Computed tomography, abdomen. axial plane, index 186
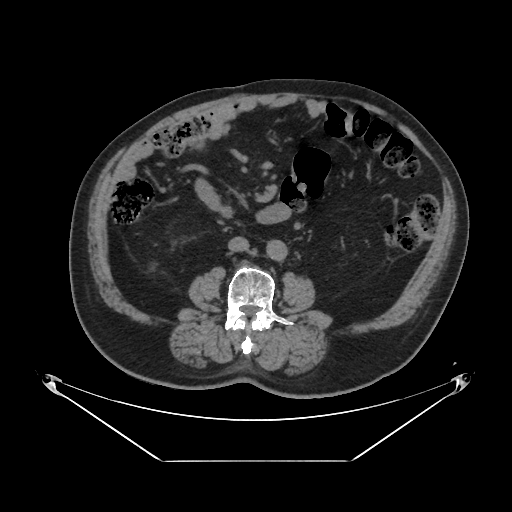
Boxes: x1 y1 x2 y2 (pixel coords, space-separated). The annotated organs in this slice are: aorta at 266 240 287 260, inferior vena cava at 228 236 249 251, duodenum at 221 206 230 215.